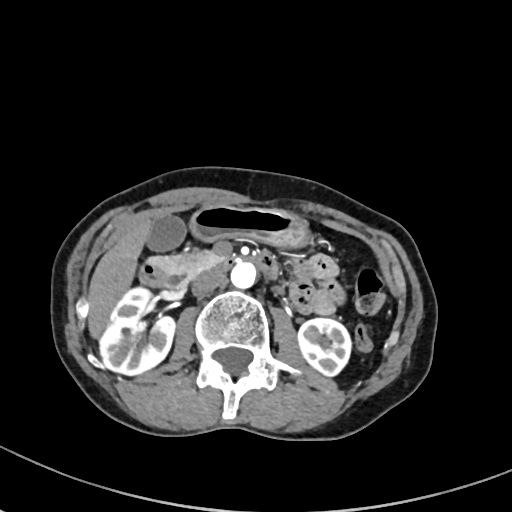
Abdominal CT. axial view. abdomen soft-tissue window. 512x512 px
Bounding boxes in pixels, one row per box: x1, y1 is the top-left corner and x2, y2 the bottom-right.
| organ | x1 | y1 | x2 | y2 |
|---|---|---|---|---|
| inferior vena cava | 192 | 272 | 227 | 295 |
| stomach | 192 | 206 | 308 | 246 |
| aorta | 230 | 261 | 258 | 288 |
| duodenum | 139 | 251 | 278 | 287 |
| gall bladder | 147 | 216 | 184 | 249 |
| right kidney | 98 | 286 | 174 | 374 |
| pancreas | 160 | 248 | 221 | 288 |
| liver | 88 | 222 | 152 | 338 |
| left kidney | 297 | 318 | 350 | 376 |